CT of the abdomen reaching into the lower chest, slice just above the liver and spleen — axial view — soft-tissue window — 512x512 px — SOMATOM Force scanner
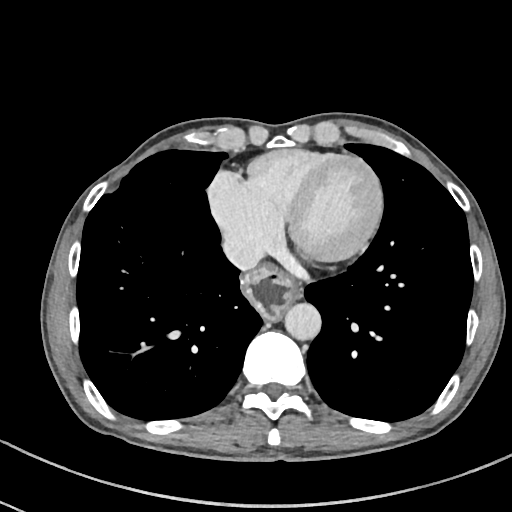
The heart and lungs are never labeled in this dataset, so they have no box on this slice. Bounding boxes as [x1, y1, x2, y2] in pixel coordinates. Labeled organs on this slice: esophagus at [241, 266, 301, 318], aorta at [285, 302, 321, 339], inferior vena cava at [222, 236, 262, 271].